CT abdomen; axial view
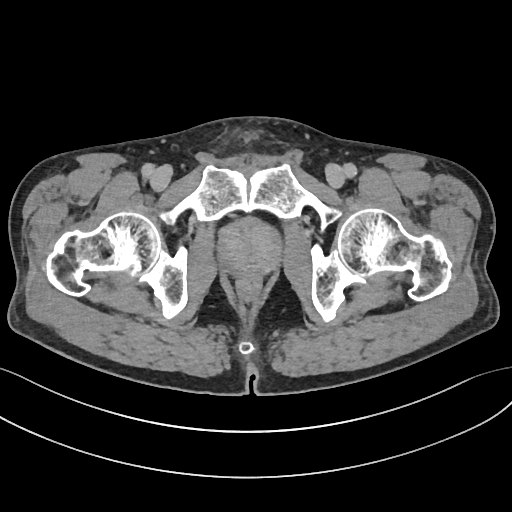
Box edges are left/top/right/bottom in pixels. 1 labeled organ on this slice — prostate/uterus at left=216, top=216, right=283, bottom=276.